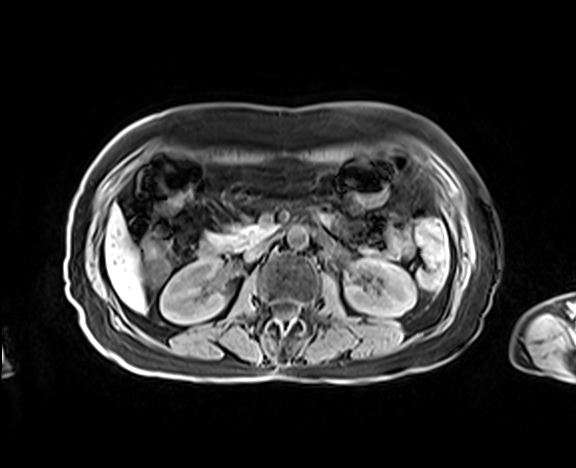 MRI, abdomen. axial view. percentile-normalized
{"organs":{"right kidney":[160,259,227,323],"left kidney":[345,259,416,316],"liver":[105,206,146,312],"aorta":[287,225,308,248],"inferior vena cava":[244,240,271,261],"pancreas":[206,224,274,250],"duodenum":[198,241,229,259]}}